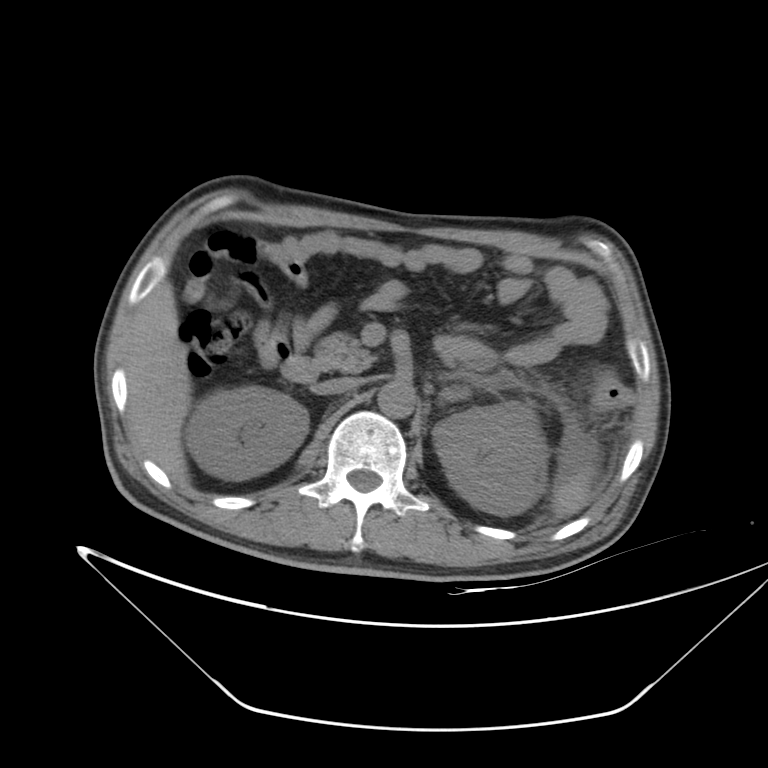
Computed tomography, abdomen. axial view. soft-tissue window. 15 organs annotated in this scan (that count is for the whole scan; organs this slice misses have no box)
{"organs":{"spleen":[551,473,590,516],"left kidney":[432,402,547,515],"right kidney":[185,386,309,480],"aorta":[378,381,414,417],"left adrenal gland":[441,388,467,401],"inferior vena cava":[315,378,364,394],"duodenum":[280,354,318,382],"pancreas":[315,332,374,372],"liver":[125,280,191,484]}}